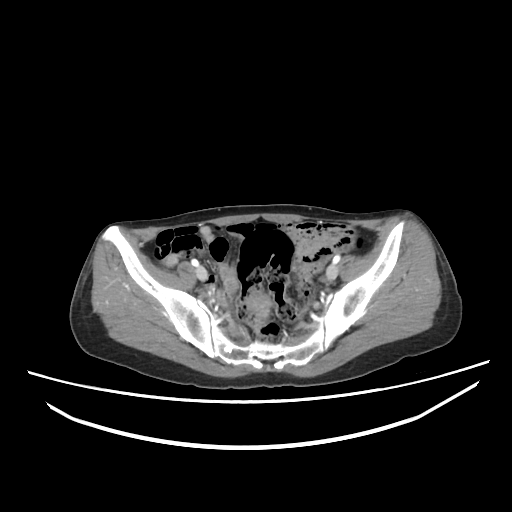 CT abdomen. axial plane, index 18. 43-year-old female patient
Bounding boxes as [x1, y1, x2, y2] in pixel coordinates. Labeled organs on this slice: prostate/uterus at [258, 301, 262, 307].